CT, abdomen/pelvis · Axial slice 56/83 · 59-year-old male patient
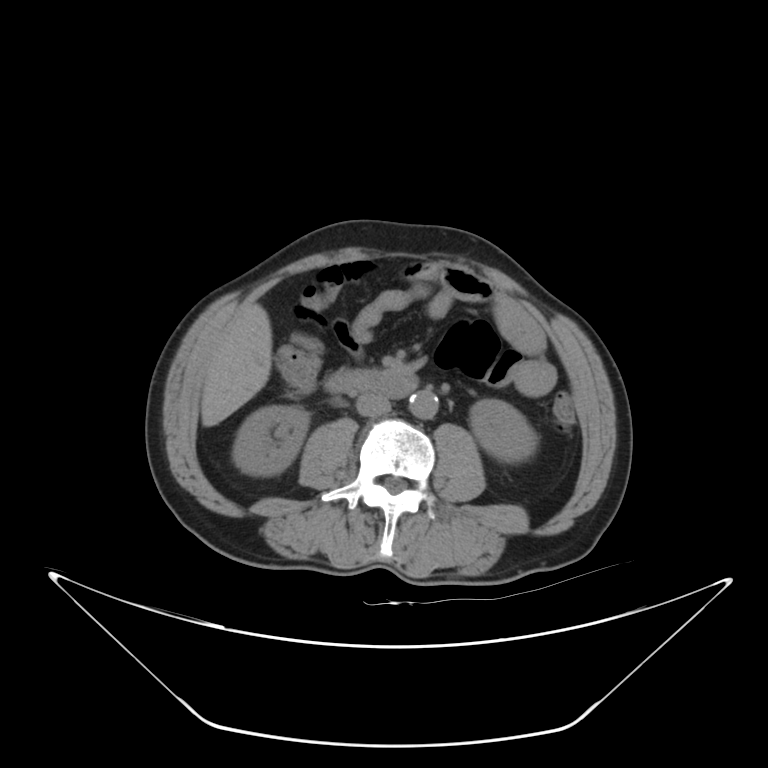

Boxes: x1:y1:x2:y2 in pixels. 6 labeled organs on this slice — left kidney at 470:399:537:461; duodenum at 325:369:418:398; inferior vena cava at 356:394:391:416; right kidney at 232:406:309:475; liver at 200:302:271:427; aorta at 410:390:438:419.